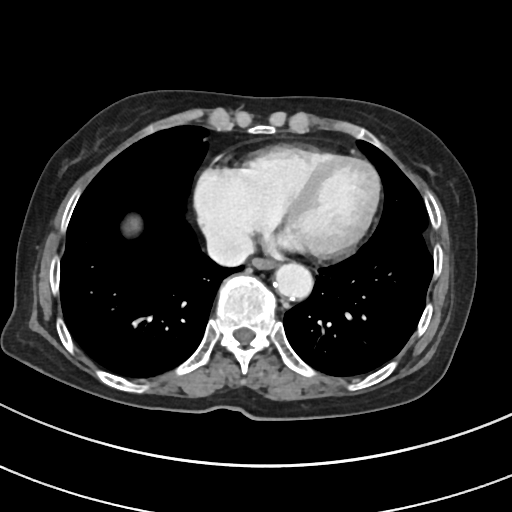 CT abdomen; axial view; 512x512 px
Bounding boxes in pixels, one row per box: x1, y1 is the top-left corner and x2, y2 the bottom-right.
| organ | x1 | y1 | x2 | y2 |
|---|---|---|---|---|
| aorta | 273 | 262 | 312 | 298 |
| esophagus | 253 | 257 | 275 | 268 |
| liver | 129 | 216 | 139 | 231 |
| inferior vena cava | 207 | 230 | 253 | 267 |